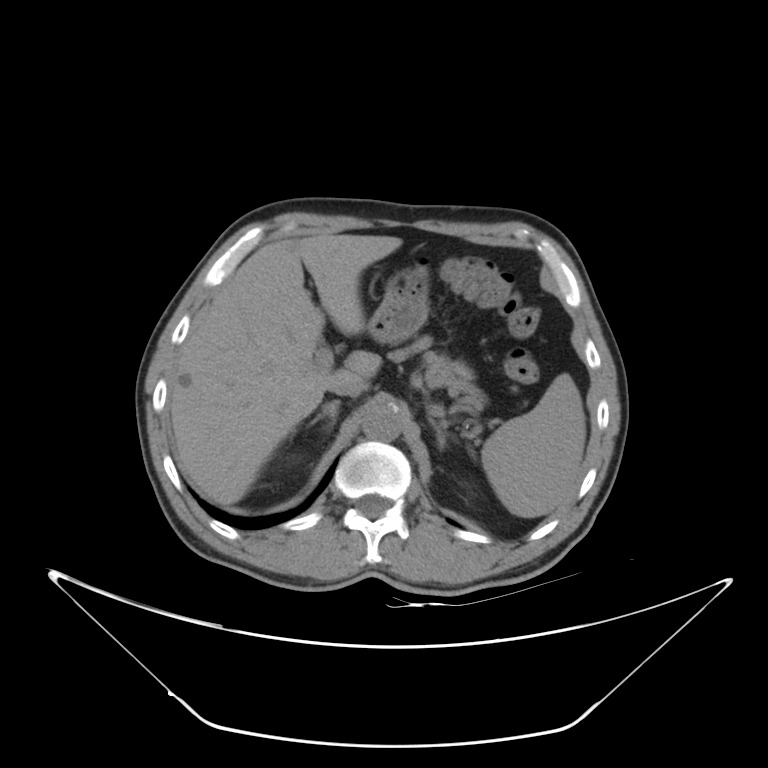

Computed tomography, abdomen — axial view — 59-year-old male patient
Coordinates as <box>x1,y1,x2,y2</box> in pixels.
Organ bounding boxes:
- pancreas: <box>425,351,487,413</box>
- left adrenal gland: <box>429,417,447,450</box>
- stomach: <box>367,267,429,342</box>
- liver: <box>171,232,401,505</box>
- right adrenal gland: <box>307,399,341,427</box>
- inferior vena cava: <box>327,378,364,397</box>
- spleen: <box>480,372,586,518</box>
- right kidney: <box>286,455,297,464</box>
- aorta: <box>362,405,402,441</box>